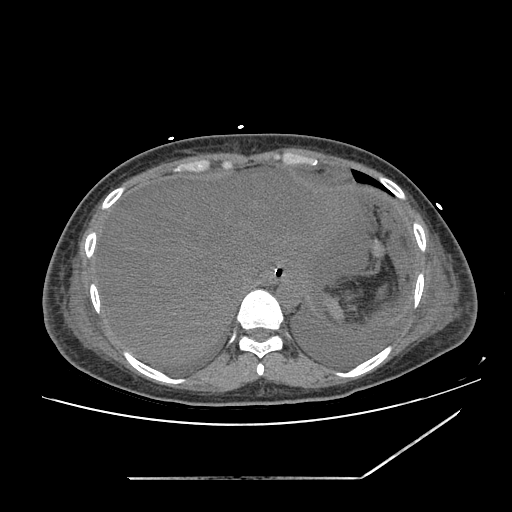
Computed tomography, abdomen · axial view · SOMATOM Force scanner · 15 organs annotated in this scan (that count is for the whole scan; organs this slice misses have no box)
Boxes: x1 y1 x2 y2 (pixel coords, space-separated).
Organ bounding boxes:
- spleen: 322 297 342 321
- esophagus: 264 268 285 283
- liver: 95 169 359 364
- stomach: 277 264 302 288
- aorta: 276 280 301 305
- inferior vena cava: 233 271 260 294